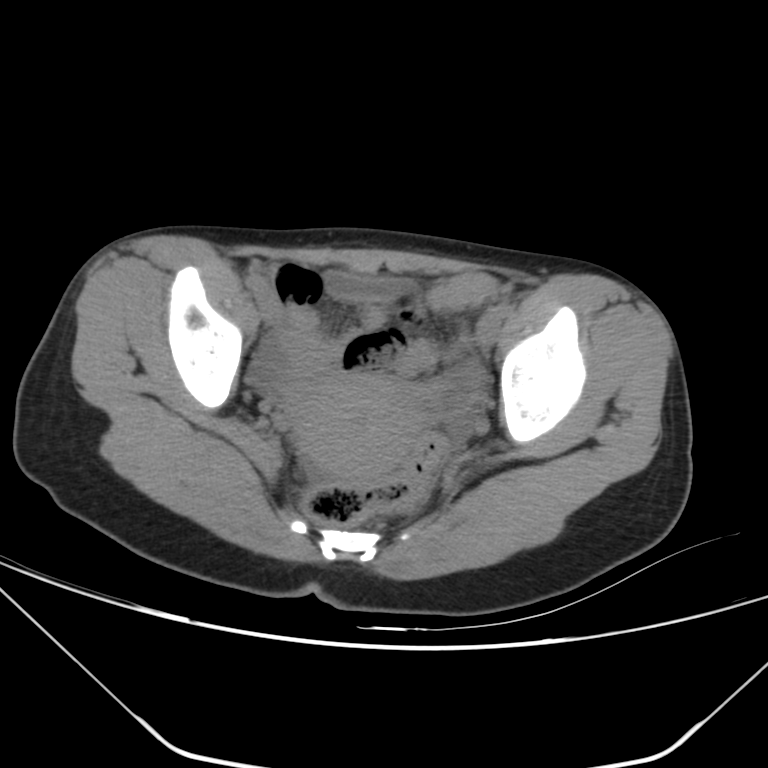 CT, abdomen/pelvis. axial view. 768x768 px
<organs><organ name="prostate/uterus" x1="296" y1="375" x2="429" y2="483"/></organs>